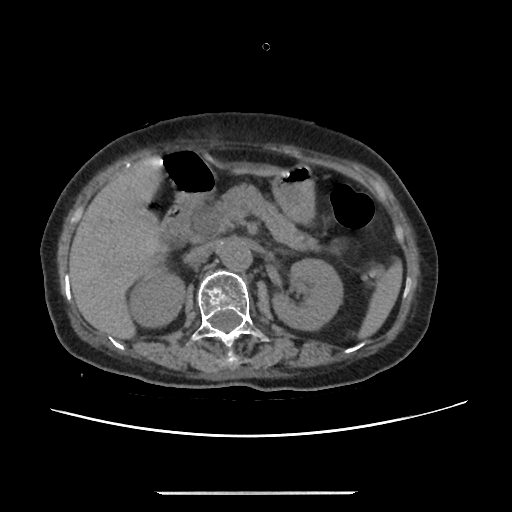

Computed tomography, abdomen. axial view. W/L 400/40 HU. acquired on SOMATOM Force
<organs><organ name="spleen" x1="361" y1="263" x2="402" y2="336"/><organ name="right kidney" x1="128" y1="266" x2="184" y2="327"/><organ name="left kidney" x1="273" y1="258" x2="343" y2="329"/><organ name="liver" x1="69" y1="158" x2="277" y2="338"/><organ name="stomach" x1="271" y1="165" x2="313" y2="220"/><organ name="aorta" x1="219" y1="239" x2="252" y2="270"/><organ name="inferior vena cava" x1="185" y1="243" x2="212" y2="263"/><organ name="pancreas" x1="202" y1="184" x2="316" y2="249"/><organ name="duodenum" x1="158" y1="152" x2="214" y2="253"/></organs>